CT, abdomen/pelvis. axial view
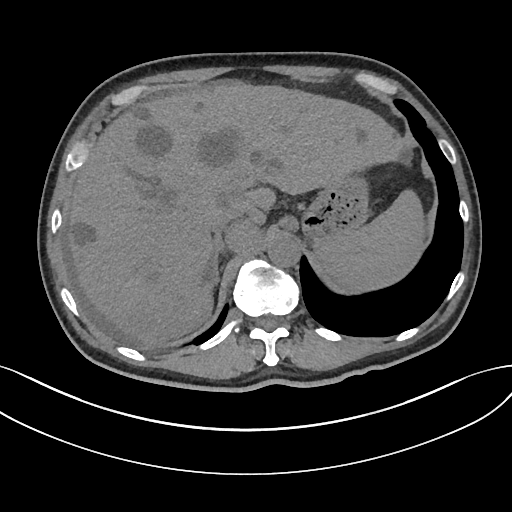
<organs><organ name="spleen" x1="314" y1="189" x2="424" y2="292"/><organ name="liver" x1="63" y1="80" x2="403" y2="346"/><organ name="stomach" x1="301" y1="173" x2="369" y2="242"/><organ name="aorta" x1="267" y1="235" x2="300" y2="267"/><organ name="inferior vena cava" x1="210" y1="206" x2="237" y2="233"/><organ name="right adrenal gland" x1="214" y1="248" x2="219" y2="284"/></organs>